CT, abdomen/pelvis — axial view — soft-tissue window — scan has 15 labeled organs (that count is for the whole scan; organs this slice misses have no box)
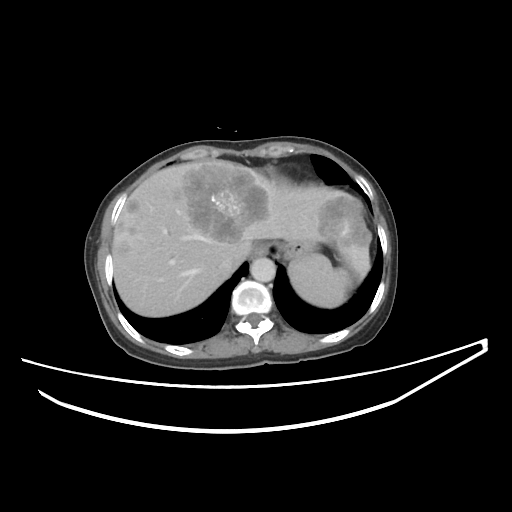
Each box given as x1,y1,x2,y2. Labeled organs on this slice: spleen at x1=289, y1=254, x2=352, y2=307, esophagus at x1=252, y1=243, x2=268, y2=257, liver at x1=112, y1=159, x2=369, y2=316, stomach at x1=278, y1=241, x2=315, y2=260, aorta at x1=250, y1=257, x2=275, y2=282, inferior vena cava at x1=218, y1=256, x2=233, y2=272.